Abdominal CT — axial view — scan has 15 labeled organs (that count is for the whole scan; organs this slice misses have no box)
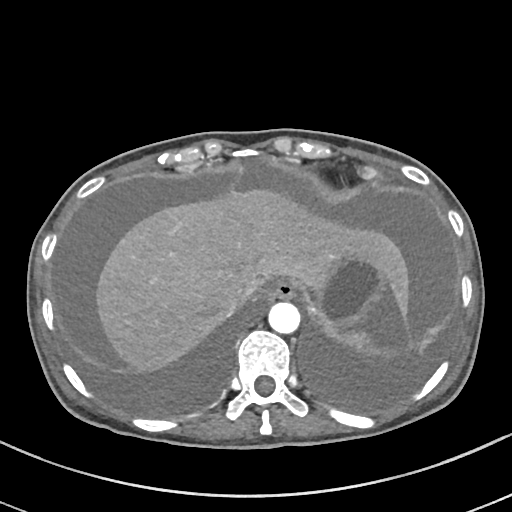

Each box given as x1,y1,x2,y2.
spleen: x1=335, y1=329, x2=372, y2=349
esophagus: x1=270, y1=279, x2=296, y2=298
liver: x1=94, y1=190, x2=409, y2=374
stomach: x1=310, y1=250, x2=386, y2=337
aorta: x1=268, y1=301, x2=299, y2=333
inferior vena cava: x1=227, y1=284, x2=253, y2=312